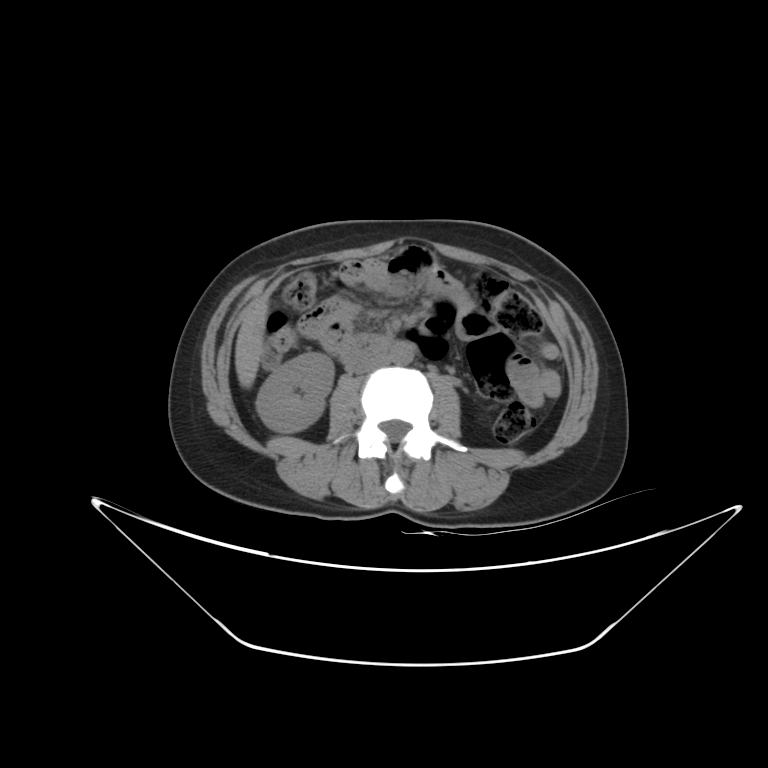

CT, abdomen/pelvis. axial view
Bounding boxes in pixels, one row per box: x1, y1 is the top-left corner and x2, y2 the bottom-right.
| organ | x1 | y1 | x2 | y2 |
|---|---|---|---|---|
| right kidney | 255 | 353 | 334 | 432 |
| liver | 234 | 298 | 268 | 387 |
| aorta | 389 | 341 | 414 | 364 |
| inferior vena cava | 352 | 353 | 388 | 373 |
| duodenum | 341 | 334 | 390 | 362 |